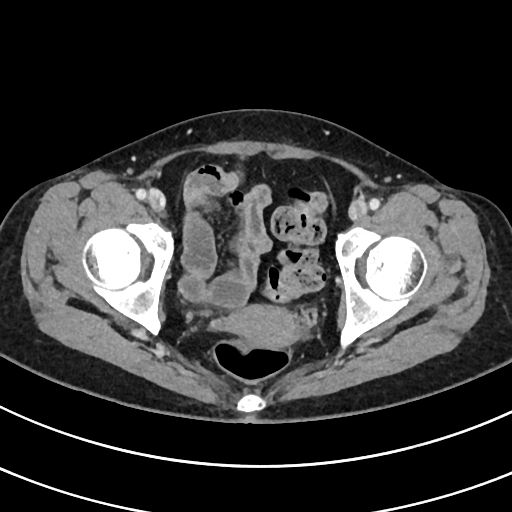
CT, abdomen/pelvis — axial view — SOMATOM Force scanner — scan has 15 labeled organs (counted over the whole 3D scan, not this slice; an organ is boxed only where this slice passes through it)
Bounding boxes in pixels, one row per box: x1, y1 is the top-left corner and x2, y2 the bottom-right.
| organ | x1 | y1 | x2 | y2 |
|---|---|---|---|---|
| prostate/uterus | 224 | 305 | 303 | 348 |